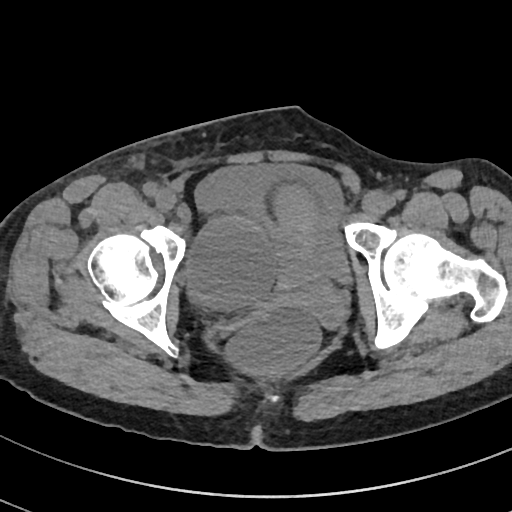 Computed tomography, abdomen. axial view. soft-tissue window. 512x512 px. SOMATOM Force scanner
Boxes: x1 y1 x2 y2 (pixel coords, space-separated). The annotated organs in this slice are: bladder at 196 162 352 283, prostate/uterus at 258 182 346 329.